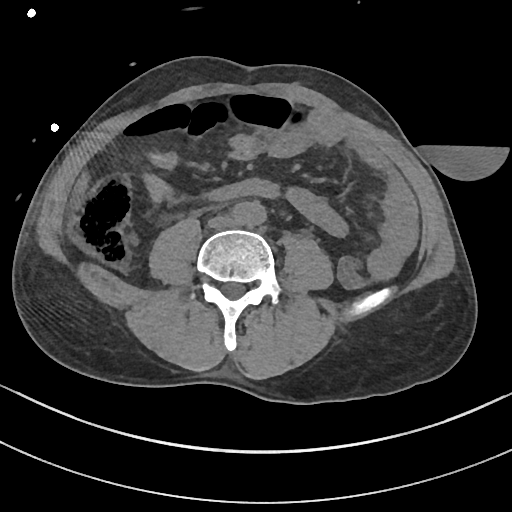

Computed tomography, abdomen; axial view; W/L 400/40 HU
Coordinates as <box>x1,y1,x2,y2</box> in pixels.
Organ bounding boxes:
- aorta: <box>234,200,265,226</box>
- inferior vena cava: <box>209,215,237,227</box>